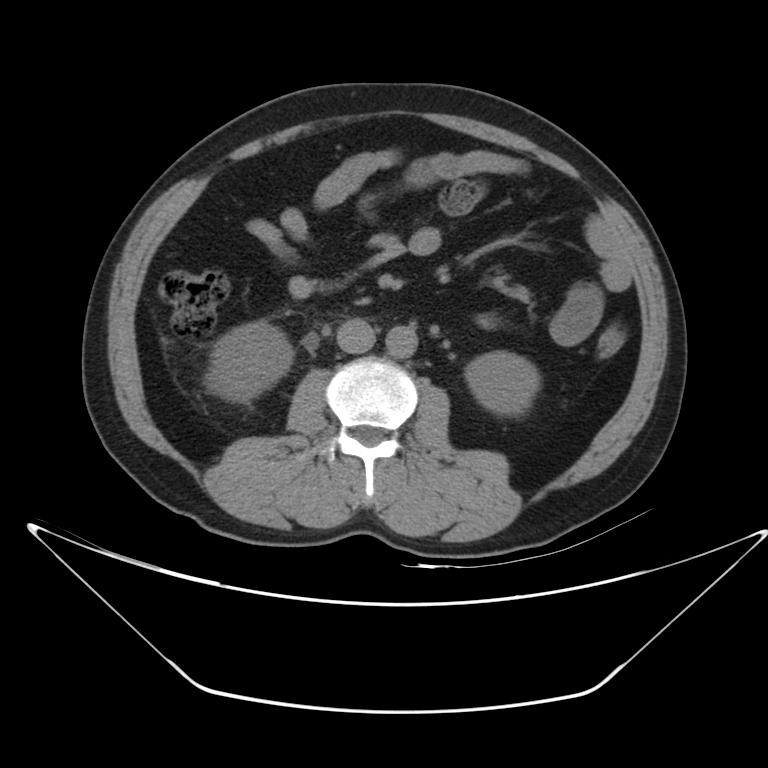 Abdominal CT · axial plane, index 54
Boxes are (x1, y1, x2, y2) in pixels.
Organ bounding boxes:
- right kidney: (205, 321, 293, 400)
- left kidney: (465, 351, 539, 415)
- aorta: (385, 326, 418, 358)
- inferior vena cava: (337, 319, 375, 352)